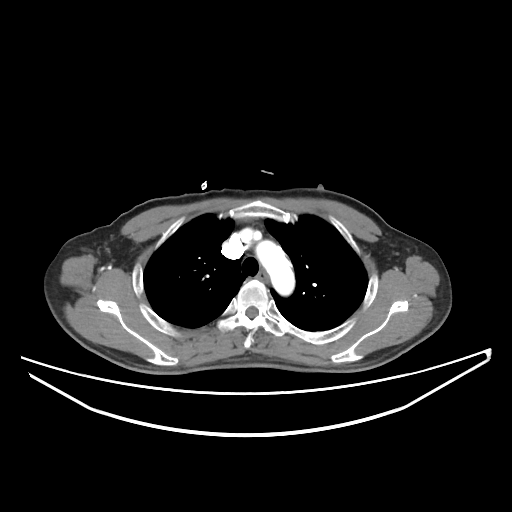 Chest-level slice from an abdominal CT that extends up into the chest · axial view · W/L 400/40 HU · Aquilion ONE scanner
At this level of the chest this dataset labels only the esophagus and the aorta, and each is boxed only where it is labeled; the heart and lungs are never labeled. Bounding boxes as [x1, y1, x2, y2] in pixel coordinates. Labeled organs on this slice: aorta at [256, 240, 294, 295], esophagus at [257, 272, 268, 282].